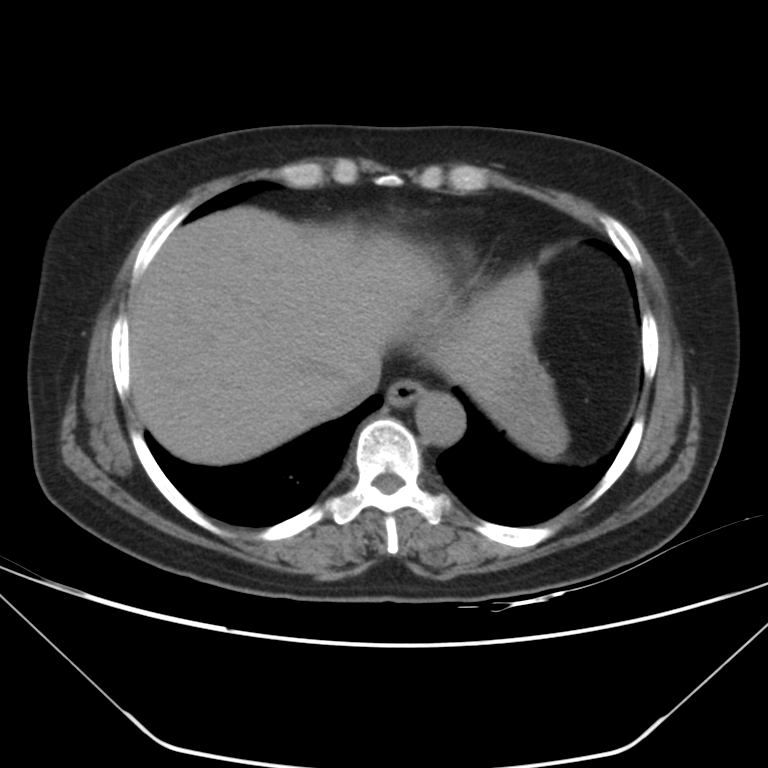
Computed tomography, abdomen. axial view. soft-tissue window (W 400 / L 40). 768x768 px. 40-year-old male patient
Organ boxes in pixel coordinates; each row gives the top-left (x1, y1) and bottom-right (x2, y2) corners.
| organ | x1 | y1 | x2 | y2 |
|---|---|---|---|---|
| esophagus | 386 | 378 | 425 | 407 |
| stomach | 493 | 349 | 565 | 454 |
| inferior vena cava | 321 | 362 | 381 | 413 |
| liver | 130 | 206 | 540 | 464 |
| aorta | 414 | 391 | 464 | 445 |